Abdominal CT reaching into the chest; this slice is in the chest; Axial slice 91/131; soft-tissue window; 512x512 px; 60-year-old male patient; Aquilion ONE scanner
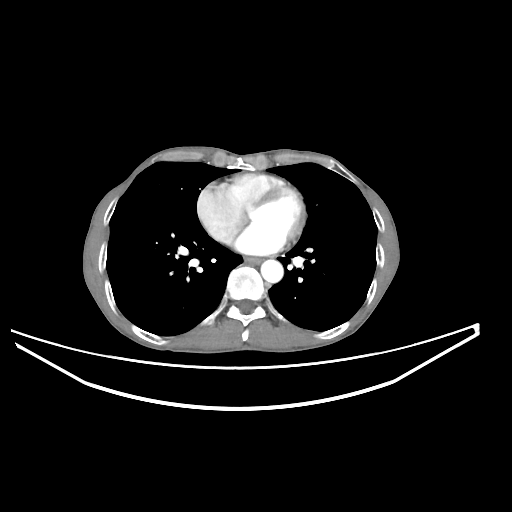 On a slice this high in the chest, this dataset labels only the esophagus and the aorta, and each is boxed only where it is labeled; the heart, lungs and other chest structures are not labeled.
Bounding boxes in pixels, one row per box: x1, y1 is the top-left corner and x2, y2 the bottom-right.
| organ | x1 | y1 | x2 | y2 |
|---|---|---|---|---|
| esophagus | 245 | 257 | 261 | 263 |
| aorta | 260 | 260 | 283 | 282 |